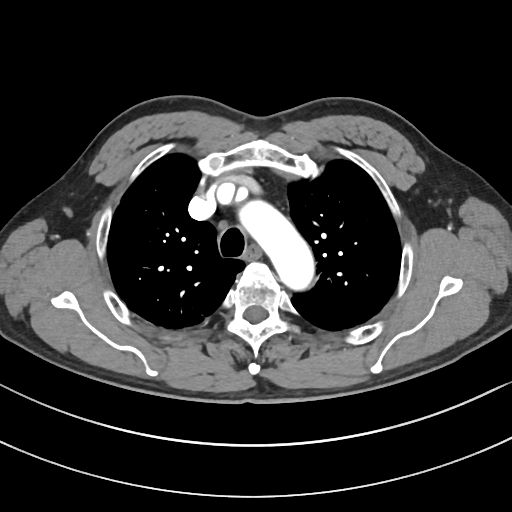
Chest-level CT slice, above the liver and spleen; Axial slice 247/280
At this level of the chest this dataset labels only the esophagus and the aorta, and each is boxed only where it is labeled; the heart and lungs are never labeled.
Coordinates as <box>x1,y1,x2,y2</box> in pixels.
Organ bounding boxes:
- aorta: <box>239,200,314,290</box>
- esophagus: <box>247,246,260,258</box>